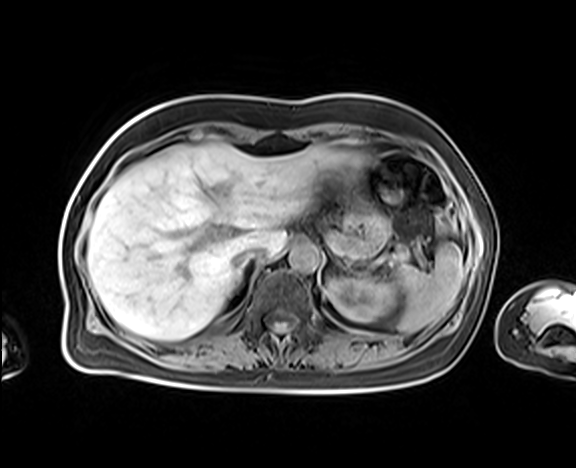

Abdominal MR — axial view — 1st–99th percentile window — acquired on Prisma — 12 organs annotated in this scan (counted over the whole 3D scan, not this slice; an organ is boxed only where this slice passes through it)
{"organs":{"spleen":[393,242,464,332],"left kidney":[328,277,394,322],"liver":[87,143,369,339],"stomach":[317,193,390,258],"aorta":[289,242,319,271],"inferior vena cava":[234,245,265,268],"pancreas":[325,236,336,254]}}